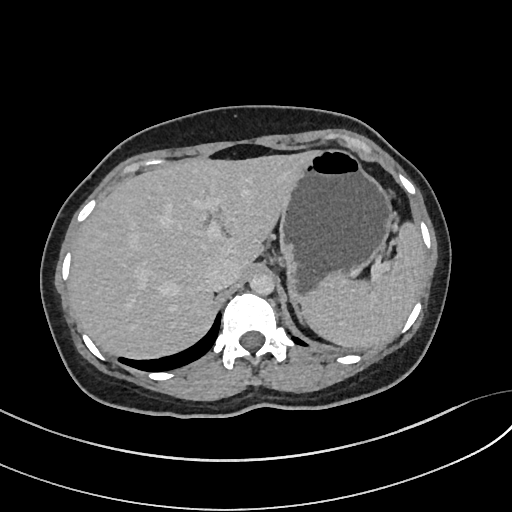 CT, abdomen/pelvis — axial view — W/L 400/40 HU — 512x512 px
One row per box, in pixels: columns x1 and y1 give the top-left corner, x2 and y2 the bottom-right.
| organ | x1 | y1 | x2 | y2 |
|---|---|---|---|---|
| inferior vena cava | 205 | 259 | 239 | 290 |
| aorta | 249 | 272 | 274 | 295 |
| left adrenal gland | 296 | 308 | 300 | 319 |
| spleen | 300 | 222 | 425 | 348 |
| liver | 69 | 151 | 313 | 358 |
| stomach | 279 | 150 | 394 | 311 |